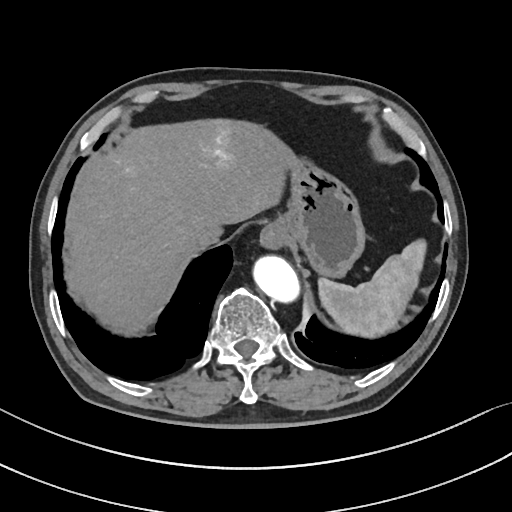
Computed tomography, abdomen · Axial slice 190/306 · 512x512 px
Organ boxes in pixel coordinates; each row gives the top-left (x1, y1) and bottom-right (x2, y2) corners.
| organ | x1 | y1 | x2 | y2 |
|---|---|---|---|---|
| spleen | 318 | 239 | 426 | 337 |
| esophagus | 260 | 222 | 282 | 248 |
| liver | 65 | 118 | 293 | 336 |
| stomach | 274 | 159 | 366 | 277 |
| aorta | 253 | 255 | 298 | 302 |
| inferior vena cava | 185 | 232 | 213 | 252 |